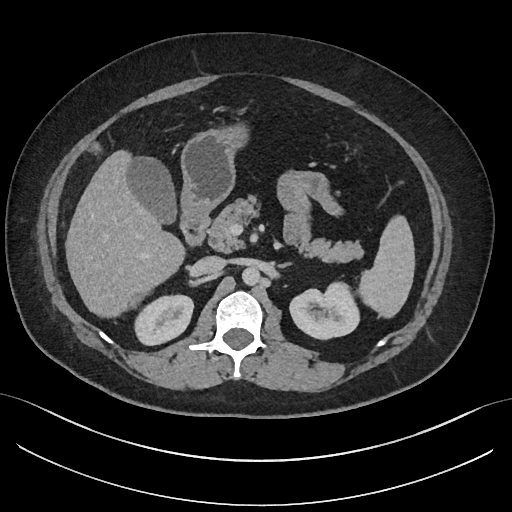
CT, abdomen/pelvis · Axial slice 154/305
Boxes are (x1, y1, x2, y2) in pixels. Labeled organs on this slice: left kidney at (289, 282, 359, 339), pancreas at (207, 195, 363, 263), stomach at (181, 124, 248, 228), duodenum at (180, 223, 309, 246), spleen at (357, 215, 414, 318), inferior vena cava at (194, 256, 225, 274), left adrenal gland at (280, 262, 288, 267), aorta at (242, 267, 260, 285), gall bladder at (128, 156, 176, 223), right kidney at (134, 295, 193, 345), liver at (65, 150, 185, 317).